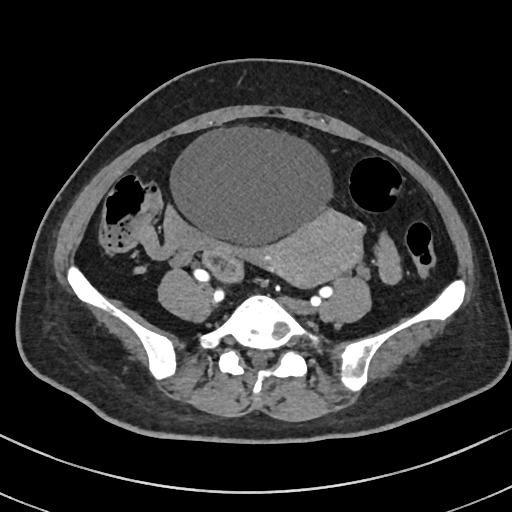 CT, abdomen/pelvis · axial view
<organs><organ name="bladder" x1="168" y1="125" x2="333" y2="246"/><organ name="prostate/uterus" x1="261" y1="210" x2="364" y2="288"/></organs>